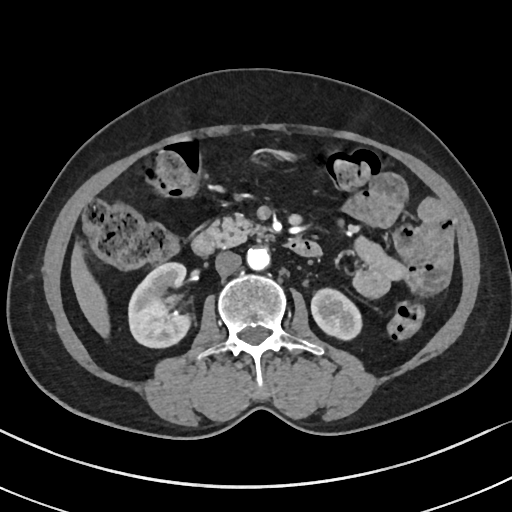 Computed tomography, abdomen · axial view · soft-tissue window (W 400 / L 40)
Boxes are (x1, y1, x2, y2) in pixels. Labeled organs on this slice: right kidney at (129, 261, 190, 347), left kidney at (312, 287, 361, 339), liver at (70, 246, 109, 335), aorta at (245, 247, 269, 269), inferior vena cava at (215, 251, 241, 276), pancreas at (207, 213, 260, 248), duodenum at (192, 228, 320, 255).